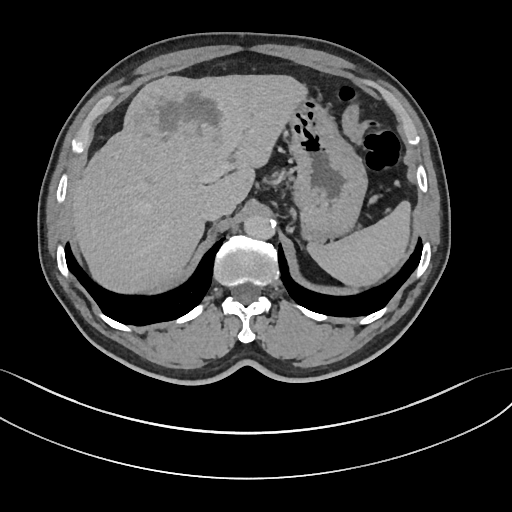
Abdominal CT; Axial slice 176/224
Boxes: x1:y1:x2:y2 in pixels.
spleen: 307:201:411:287
liver: 69:74:307:293
stomach: 287:98:367:243
aorta: 244:214:275:239
inferior vena cava: 201:196:234:220